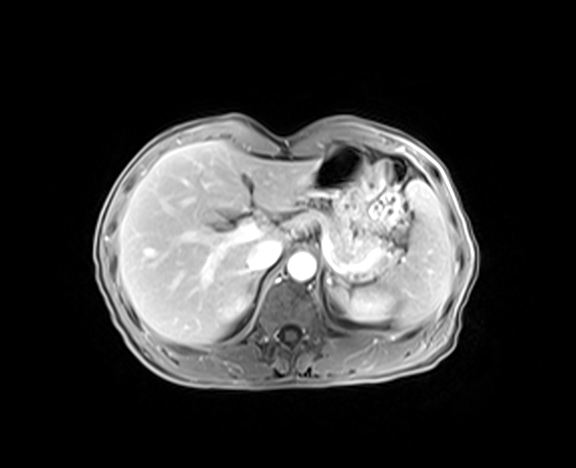
Abdominal MR — axial view — percentile-normalized — 576x468 px — Prisma scanner
{"organs":{"spleen":[379,180,452,327],"right kidney":[222,292,252,320],"left kidney":[332,287,395,322],"liver":[118,140,319,345],"stomach":[298,144,364,200],"aorta":[287,253,316,280],"inferior vena cava":[247,239,282,272],"pancreas":[299,209,389,272],"right adrenal gland":[252,271,262,295],"left adrenal gland":[326,272,332,287]}}